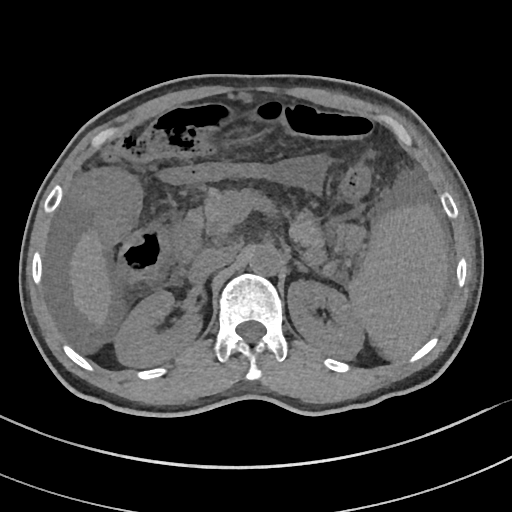
Computed tomography, abdomen; Axial slice 143/206; abdomen soft-tissue window; 512x512 px
<organs><organ name="right kidney" x1="115" y1="291" x2="200" y2="367"/><organ name="pancreas" x1="195" y1="189" x2="324" y2="247"/><organ name="left kidney" x1="287" y1="280" x2="365" y2="359"/><organ name="duodenum" x1="171" y1="211" x2="204" y2="262"/><organ name="liver" x1="70" y1="232" x2="110" y2="323"/><organ name="left adrenal gland" x1="298" y1="263" x2="305" y2="270"/><organ name="aorta" x1="249" y1="243" x2="281" y2="275"/><organ name="inferior vena cava" x1="191" y1="246" x2="236" y2="277"/><organ name="spleen" x1="348" y1="206" x2="447" y2="359"/></organs>